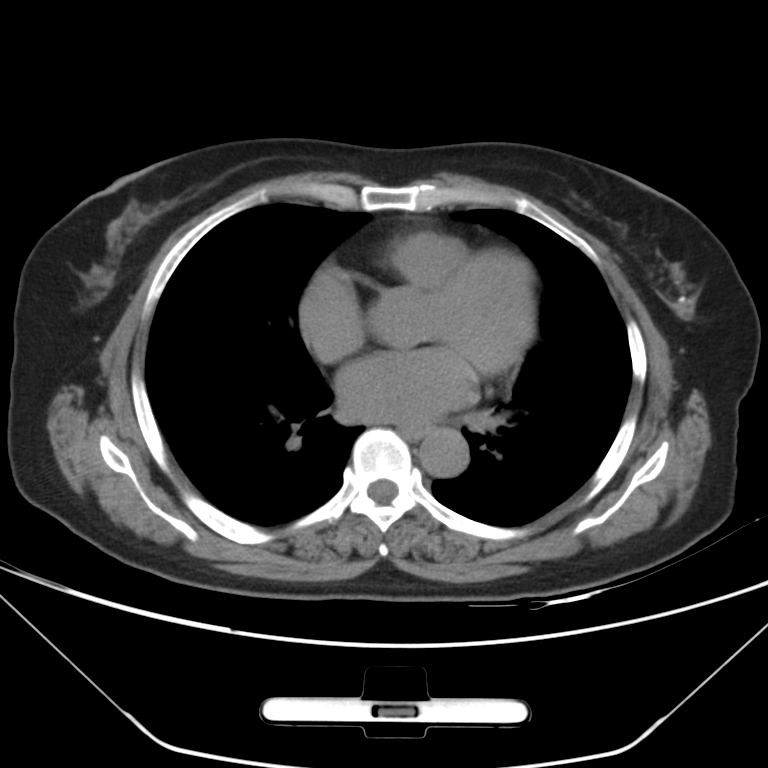 Lower-chest slice from an abdominal CT, just above the liver and spleen — axial plane, index 88 — W/L 400/40 HU — Brilliance16 scanner — 15 organs annotated in this scan (a whole-scan count: organs this slice does not pass through have no box)
The heart and lungs are never labeled in this dataset, so they have no box on this slice.
One row per box, in pixels: columns x1 and y1 give the top-left corner, x2 and y2 the bottom-right.
| organ | x1 | y1 | x2 | y2 |
|---|---|---|---|---|
| esophagus | 399 | 424 | 431 | 440 |
| aorta | 419 | 428 | 469 | 478 |